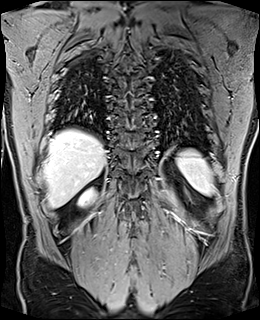 Abdominal MR — coronal view — 1st–99th percentile window
Boxes: x1 y1 x2 y2 (pixel coords, space-separated). The annotated organs in this slice are: spleen at 176 149 213 195, right kidney at 78 189 93 206, liver at 44 129 105 207.